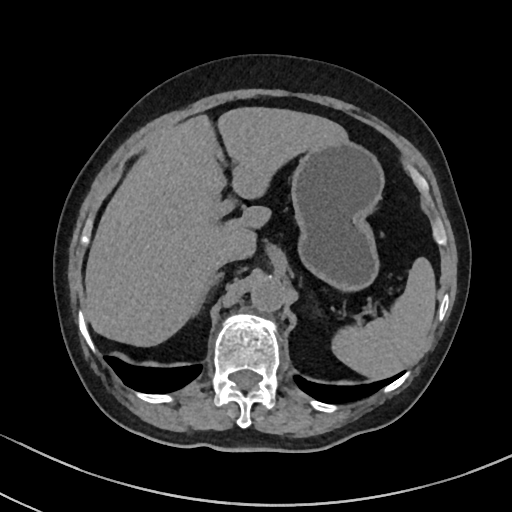

Computed tomography, abdomen — Axial slice 160/202 — soft-tissue window (W 400 / L 40) — 15 organs annotated in this scan (that count is for the whole scan; organs this slice misses have no box)
Bounding boxes as [x1, y1, x2, y2] in pixel coordinates.
Organ bounding boxes:
- spleen: [334, 257, 436, 379]
- liver: [84, 106, 347, 346]
- stomach: [290, 140, 385, 289]
- aorta: [250, 276, 284, 311]
- inferior vena cava: [215, 251, 245, 267]
- right adrenal gland: [194, 272, 224, 313]